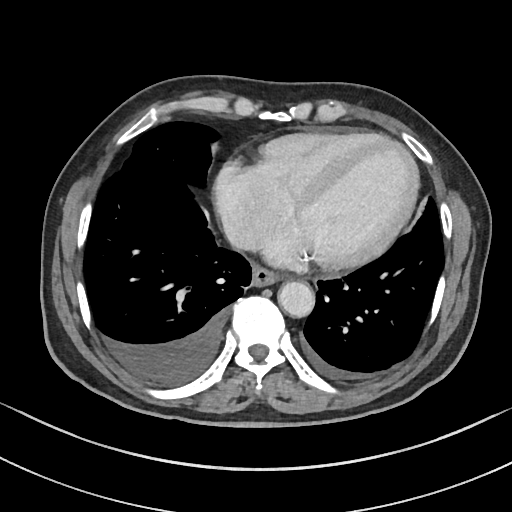
Lower-chest slice from an abdominal CT, just above the liver and spleen — axial view — 512x512 px — 14 organs annotated in this scan (a whole-scan count: organs this slice does not pass through have no box)
The heart and lungs are never labeled in this dataset, so they have no box on this slice.
Boxes: x1 y1 x2 y2 (pixel coords, space-separated).
esophagus: 252 265 278 286
aorta: 277 281 314 317
inferior vena cava: 224 220 257 249